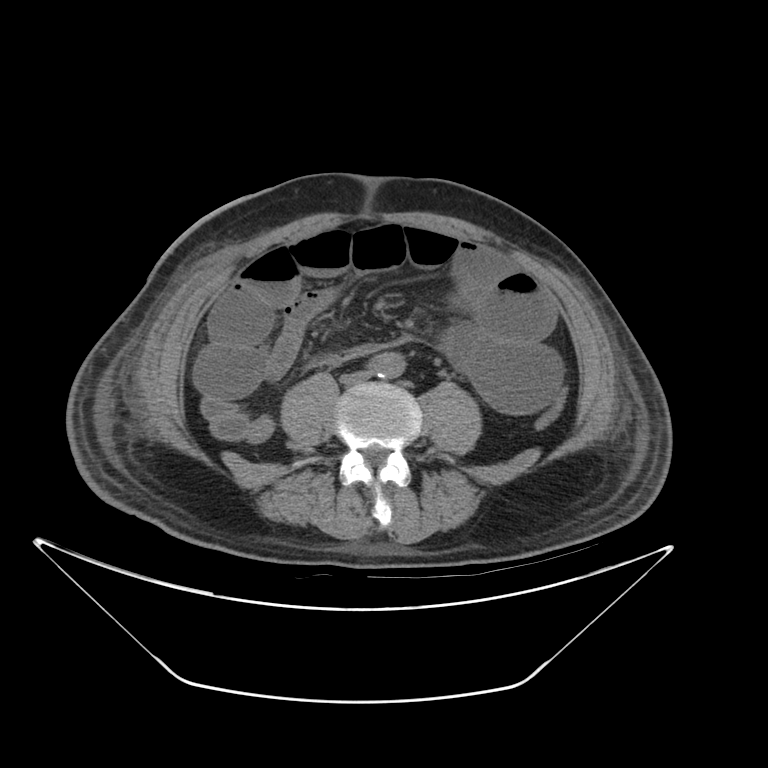

CT, abdomen/pelvis; axial view; 66-year-old male patient; Brilliance16 scanner; scan has 15 labeled organs (counted over the whole 3D scan, not this slice; an organ is boxed only where this slice passes through it)
Box edges are left/top/right/bottom in pixels.
aorta: left=367, top=352, right=404, bottom=378
inferior vena cava: left=339, top=369, right=367, bottom=383